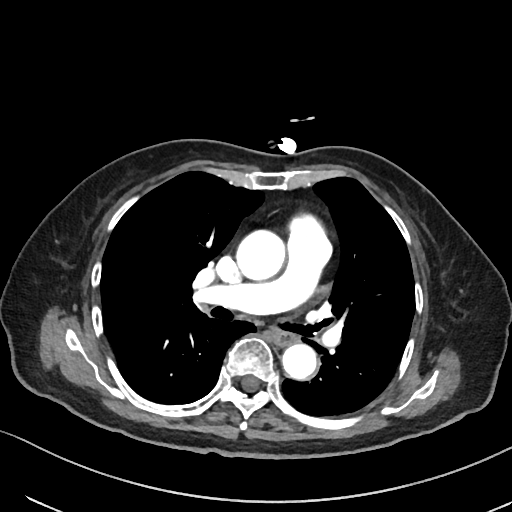

CT of the abdomen extending into the chest, slice through the chest. axial view. soft-tissue window (W 400 / L 40)
On a slice this high in the chest, this dataset labels only the esophagus and the aorta, and each is boxed only where it is labeled; the heart, lungs and other chest structures are not labeled. Each box given as x1,y1,x2,y2. Labeled organs on this slice: esophagus at x1=271, y1=327, x2=294, y2=345, aorta at x1=236, y1=230, x2=285, y2=280, aorta at x1=281, y1=343, x2=316, y2=379.